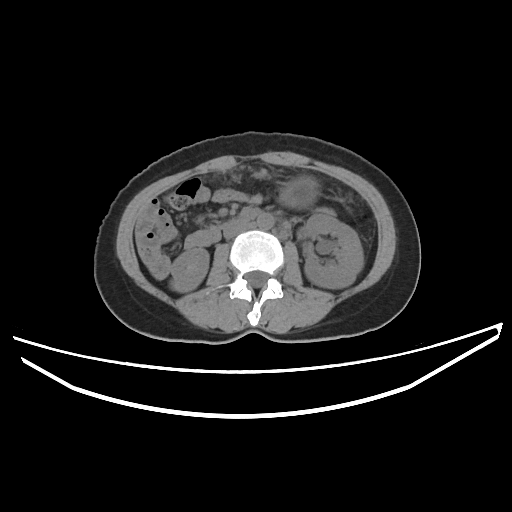
Computed tomography, abdomen; Axial slice 51/81; soft-tissue window; Aquilion ONE scanner
Boxes: x1:y1:x2:y2 in pixels.
inferior vena cava: 223:220:249:238
stomach: 279:176:319:208
aorta: 257:213:273:229
left kidney: 304:214:363:288
right kidney: 170:248:208:292